Computed tomography, abdomen; axial view; 512x512 px
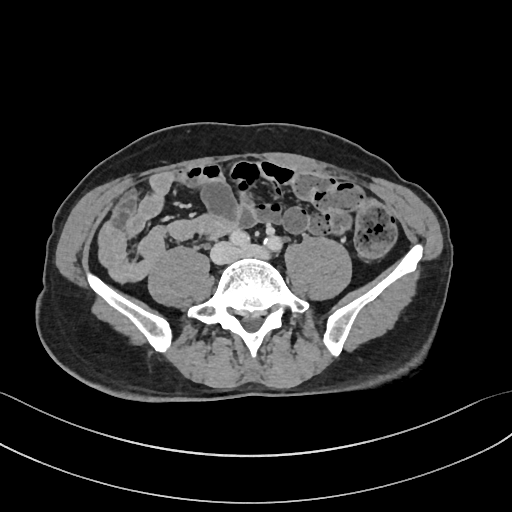 {"organs":{"inferior vena cava":[210,241,234,263]}}